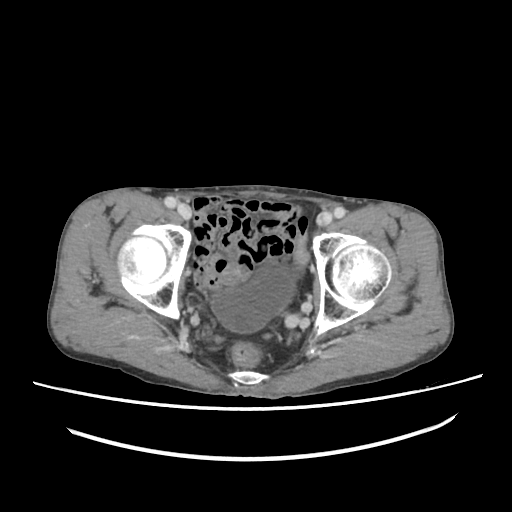
CT, abdomen/pelvis; axial view; W/L 400/40 HU; 512x512 px
Bounding boxes as [x1, y1, x2, y2] in pixel coordinates.
Organ bounding boxes:
- bladder: [212, 265, 294, 332]